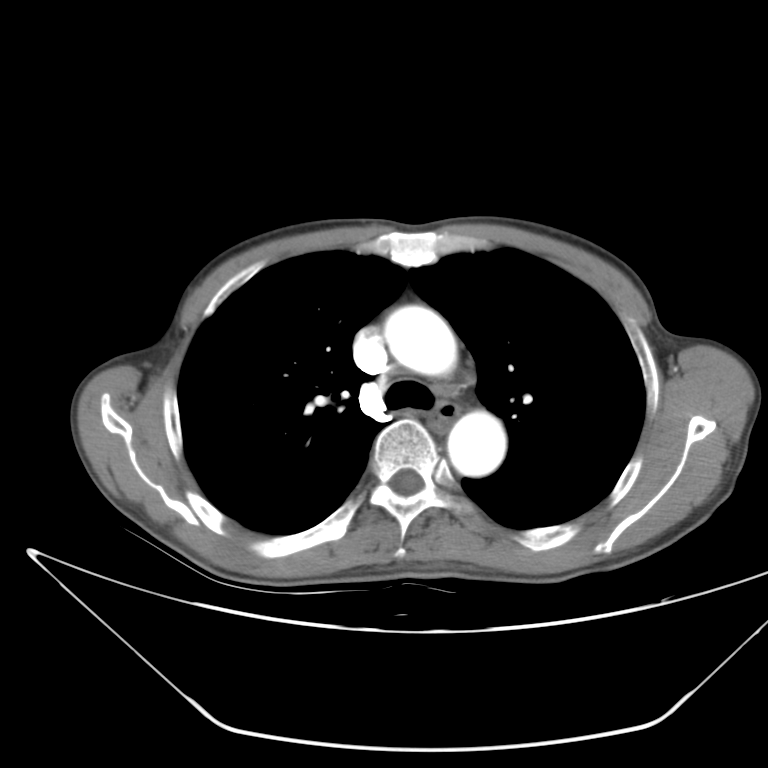
Chest-level slice from an abdominal CT that extends up into the chest · Axial slice 84/103 · 768x768 px
On a slice this high in the chest, this dataset labels only the esophagus and the aorta, and each is boxed only where it is labeled; the heart, lungs and other chest structures are not labeled.
Box edges are left/top/right/bottom in pixels.
esophagus: left=426, top=403, right=459, bottom=435
aorta: left=384, top=305, right=457, bottom=375
aorta: left=447, top=410, right=506, bottom=476